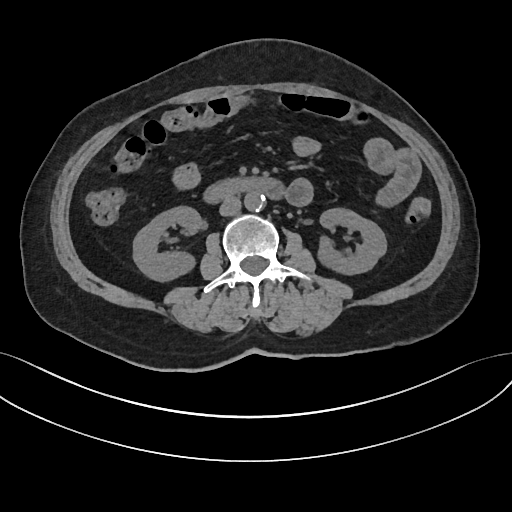 Abdominal CT. axial view. soft-tissue window (W 400 / L 40). acquired on SOMATOM Force
Bounding boxes as [x1, y1, x2, y2] in pixel coordinates.
Organ bounding boxes:
- right kidney: [133, 206, 201, 281]
- left kidney: [317, 208, 386, 274]
- aorta: [244, 192, 265, 211]
- inferior vena cava: [219, 196, 241, 216]
- duodenum: [203, 177, 284, 203]